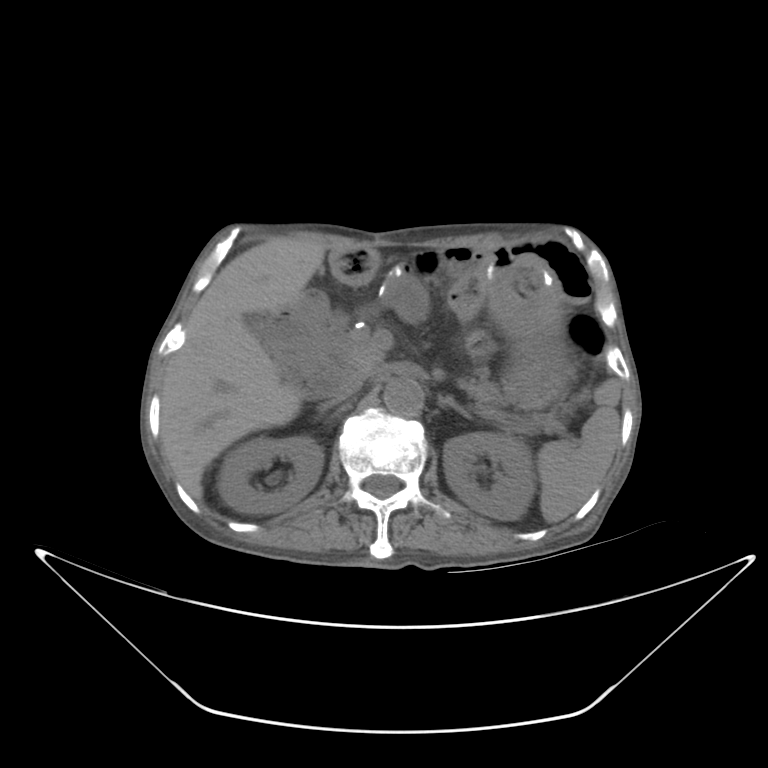
CT abdomen; axial view; abdomen soft-tissue window
{"organs":{"spleen":[538,378,621,522],"aorta":[383,378,423,415],"pancreas":[465,372,503,404],"stomach":[489,252,567,405],"liver":[160,236,324,493],"right kidney":[217,437,321,514],"inferior vena cava":[331,371,366,402],"left kidney":[444,435,531,520],"left adrenal gland":[438,395,470,420]}}